Chest-level CT slice, above the liver and spleen. axial plane, index 267
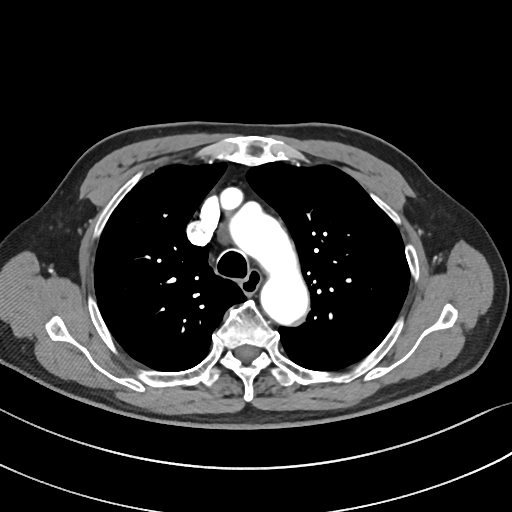
At this level of the chest no structure but the esophagus and the aorta has a label in this dataset, and those two are boxed only where they are labeled.
<organs><organ name="esophagus" x1="243" y1="270" x2="261" y2="294"/><organ name="aorta" x1="230" y1="203" x2="308" y2="324"/></organs>